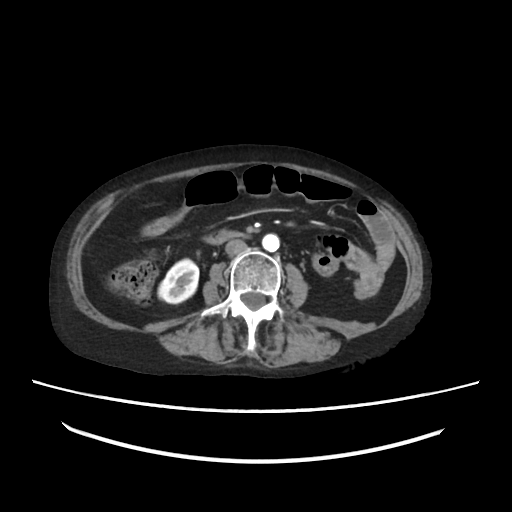 CT, abdomen/pelvis — Axial slice 48/89 — 512x512 px — 61-year-old female patient
Boxes: x1:y1:x2:y2 in pixels.
Organ bounding boxes:
- inferior vena cava: 226:240:250:254
- aorta: 262:234:279:251
- right kidney: 159:257:198:302
- duodenum: 204:230:248:242